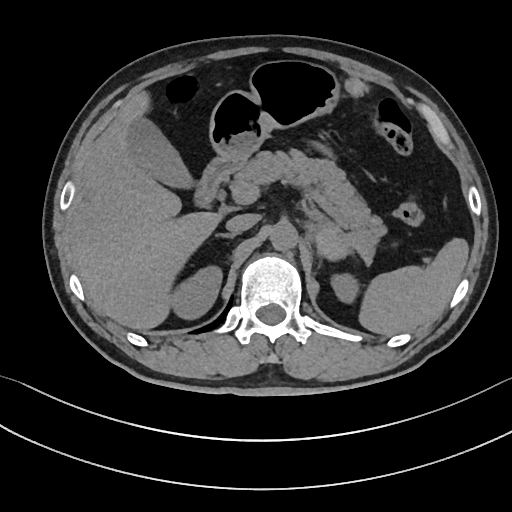

CT abdomen · axial view
<organs><organ name="spleen" x1="358" y1="238" x2="468" y2="335"/><organ name="right kidney" x1="170" y1="265" x2="222" y2="319"/><organ name="left kidney" x1="331" y1="273" x2="359" y2="303"/><organ name="gall bladder" x1="127" y1="117" x2="193" y2="188"/><organ name="liver" x1="67" y1="91" x2="221" y2="329"/><organ name="stomach" x1="209" y1="60" x2="338" y2="163"/><organ name="aorta" x1="270" y1="222" x2="297" y2="250"/><organ name="inferior vena cava" x1="226" y1="214" x2="259" y2="232"/><organ name="pancreas" x1="230" y1="149" x2="386" y2="244"/><organ name="right adrenal gland" x1="215" y1="233" x2="237" y2="238"/><organ name="duodenum" x1="194" y1="156" x2="240" y2="207"/></organs>